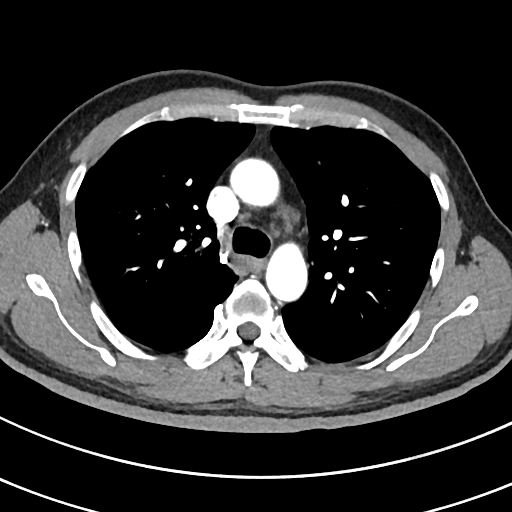
Chest-level slice from an abdominal CT that extends up into the chest — axial view — 512x512 px — SOMATOM Force scanner
On a slice this high in the chest, this dataset labels only the esophagus and the aorta, and each is boxed only where it is labeled; the heart, lungs and other chest structures are not labeled.
Boxes: x1:y1:x2:y2 in pixels.
esophagus: 241:258:263:271
aorta: 265:243:307:302
aorta: 229:157:278:205